Chest-level CT slice, above the liver and spleen; Axial slice 89/116; soft-tissue window (W 400 / L 40); 512x512 px
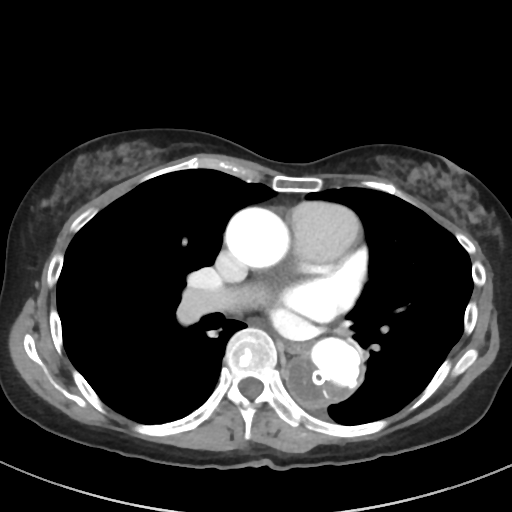
At this level of the chest no structure but the esophagus and the aorta has a label in this dataset, and those two are boxed only where they are labeled.
Organ boxes in pixel coordinates; each row gives the top-left (x1, y1) and bottom-right (x2, y2) corners.
| organ | x1 | y1 | x2 | y2 |
|---|---|---|---|---|
| aorta | 287 | 337 | 363 | 409 |
| aorta | 225 | 207 | 289 | 268 |
| esophagus | 284 | 343 | 305 | 352 |